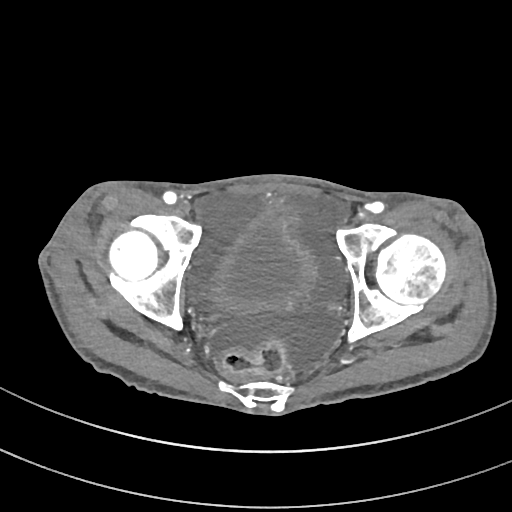

Abdominal CT; axial view; 15 organs annotated in this scan (that count is for the whole scan; organs this slice misses have no box)
Boxes: x1 y1 x2 y2 (pixel coords, space-separated). Labeled organs on this slice: bladder at 211 212 315 310.